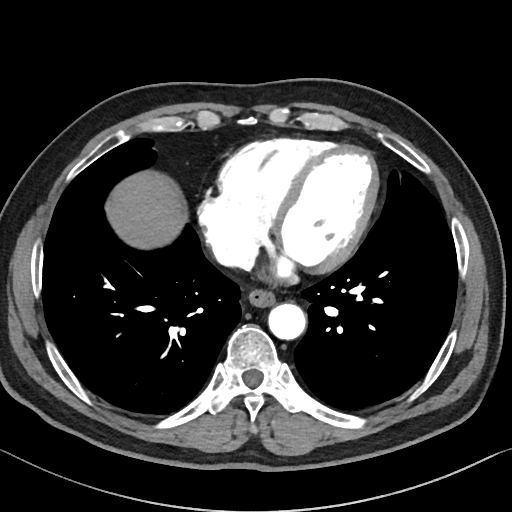

CT abdomen · axial view · scan has 15 labeled organs (that count is for the whole scan; organs this slice misses have no box)
Coordinates as <box>x1,y1,x2,y2</box> in pixels.
liver: <box>105,170,186,248</box>
inferior vena cava: <box>215,244,257,268</box>
aorta: <box>268,303,305,339</box>
esophagus: <box>248,287,275,306</box>